Abdominal CT. axial view. W/L 400/40 HU. 512x512 px
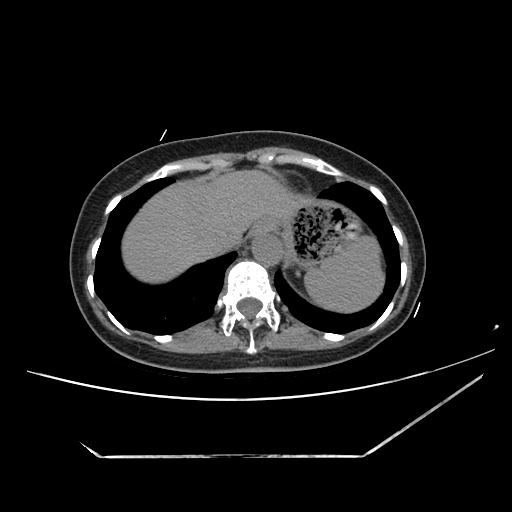
One row per box, in pixels: columns x1 and y1 give the top-left corner, x2 and y2 the bottom-right.
| organ | x1 | y1 | x2 | y2 |
|---|---|---|---|---|
| spleen | 304 | 237 | 383 | 312 |
| esophagus | 251 | 216 | 281 | 236 |
| liver | 122 | 170 | 307 | 283 |
| stomach | 281 | 200 | 360 | 265 |
| aorta | 251 | 233 | 282 | 265 |
| inferior vena cava | 206 | 232 | 240 | 256 |